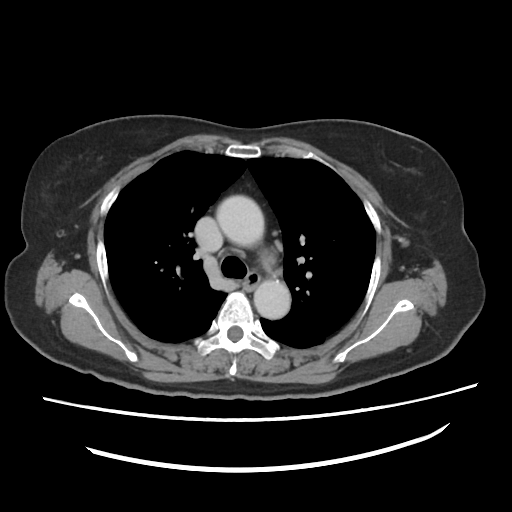

CT of the abdomen extending into the chest, slice through the chest. axial view. soft-tissue window. 512x512 px. 61-year-old female patient. acquired on Aquilion ONE
At this level of the chest this dataset labels only the esophagus and the aorta, and each is boxed only where it is labeled; the heart and lungs are never labeled.
Boxes: x1:y1:x2:y2 in pixels.
Organ bounding boxes:
- esophagus: 243:269:258:291
- aorta: 216:194:264:246
- aorta: 254:280:289:319